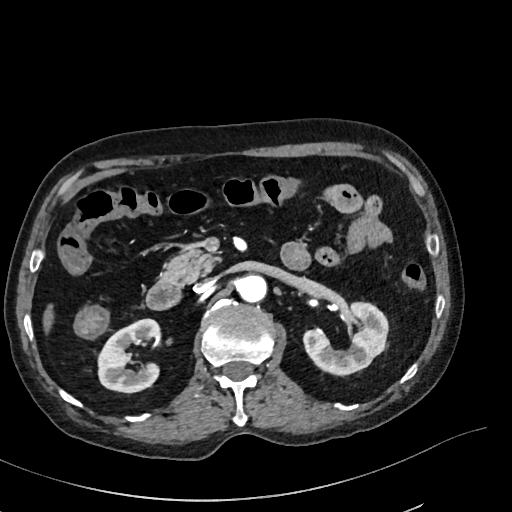

Computed tomography, abdomen · axial plane, index 153 · W/L 400/40 HU · 512x512 px
Bounding boxes in pixels, one row per box: x1, y1 is the top-left corner and x2, y2 the bottom-right.
| organ | x1 | y1 | x2 | y2 |
|---|---|---|---|---|
| right kidney | 98 | 319 | 160 | 392 |
| inferior vena cava | 194 | 279 | 213 | 292 |
| liver | 42 | 305 | 54 | 332 |
| aorta | 237 | 274 | 267 | 302 |
| pancreas | 160 | 247 | 220 | 284 |
| left kidney | 303 | 302 | 387 | 375 |
| duodenum | 146 | 278 | 181 | 310 |